Abdominal CT — axial view — 39-year-old male patient — 15 organs annotated in this scan (counted over the whole 3D scan, not this slice; an organ is boxed only where this slice passes through it)
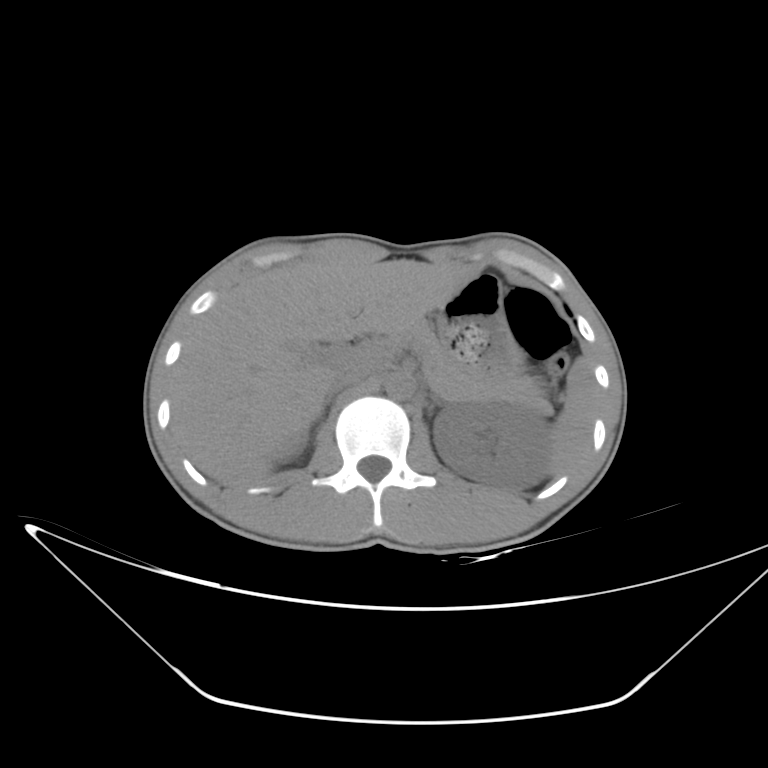 {"organs":{"inferior vena cava":[328,362,374,395],"stomach":[437,273,525,376],"aorta":[385,374,414,401],"liver":[171,256,475,486],"left kidney":[432,405,552,490],"right adrenal gland":[311,399,330,428],"right kidney":[278,437,304,458],"spleen":[551,358,597,474],"pancreas":[399,321,550,412]}}